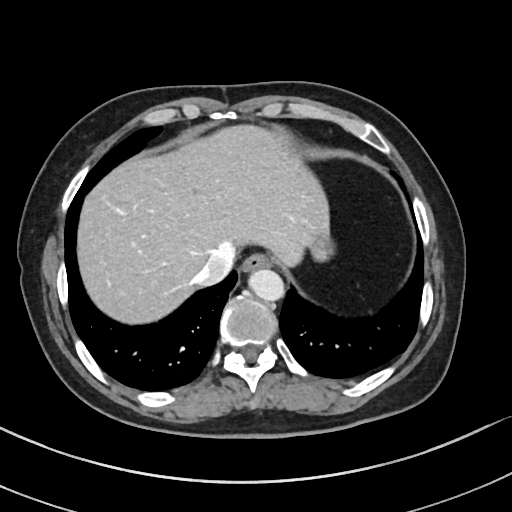
Abdominal CT; axial view; abdomen soft-tissue window; 512x512 px
Bounding boxes as [x1, y1, x2, y2] in pixel coordinates. 5 labeled organs on this slice — esophagus at [242, 253, 271, 270]; liver at [75, 124, 330, 323]; stomach at [310, 236, 331, 259]; aorta at [247, 268, 282, 300]; inferior vena cava at [194, 250, 230, 286].